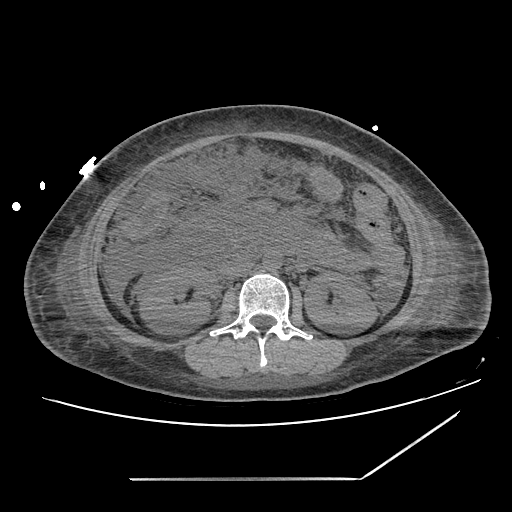

Computed tomography, abdomen. axial plane, index 104. soft-tissue window
Boxes: x1:y1:x2:y2 in pixels.
Organ bounding boxes:
- aorta: 263:251:281:270
- left kidney: 304:272:377:333
- inferior vena cava: 221:254:253:277
- right kidney: 140:266:215:333